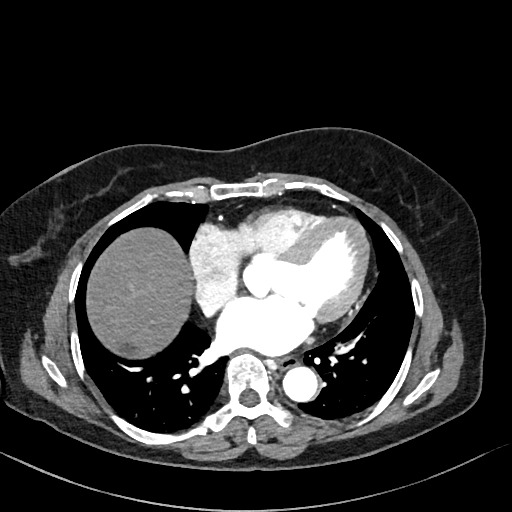
CT, abdomen/pelvis; Axial slice 210/222
Bounding boxes in pixels, one row per box: x1, y1 is the top-left corner and x2, y2 the bottom-right.
| organ | x1 | y1 | x2 | y2 |
|---|---|---|---|---|
| liver | 84 | 225 | 194 | 362 |
| esophagus | 276 | 354 | 298 | 368 |
| inferior vena cava | 200 | 299 | 223 | 316 |
| aorta | 283 | 365 | 322 | 401 |